Abdominal MR · coronal view
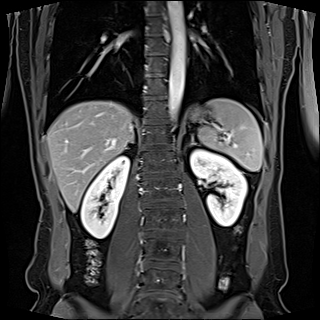
Each box given as x1,y1,x2,y2. Labeled organs on this slice: spleen at x1=198, y1=98, x2=263, y2=170, right kidney at x1=80, y1=155, x2=129, y2=238, left kidney at x1=190, y1=149, x2=247, y2=226, esophagus at x1=162, y1=13, x2=169, y2=27, liver at x1=47, y1=101, x2=134, y2=211, stomach at x1=191, y1=107, x2=202, y2=120, aorta at x1=168, y1=1, x2=185, y2=118, right adrenal gland at x1=127, y1=138, x2=134, y2=148, left adrenal gland at x1=189, y1=136, x2=198, y2=146.